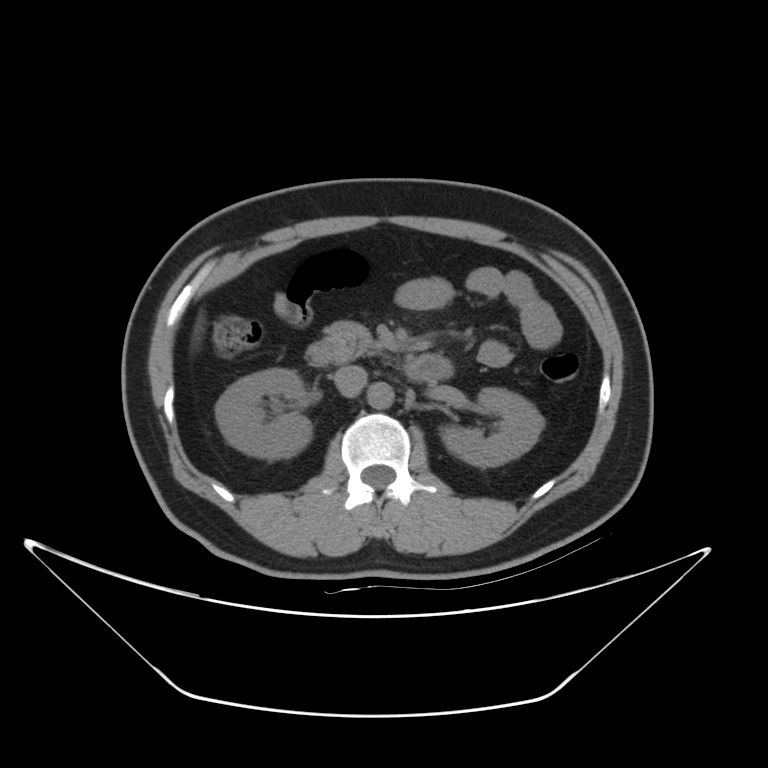

CT, abdomen/pelvis; axial view; Brilliance16 scanner
<organs><organ name="aorta" x1="367" y1="381" x2="393" y2="409"/><organ name="pancreas" x1="322" y1="321" x2="382" y2="361"/><organ name="left kidney" x1="441" y1="388" x2="544" y2="467"/><organ name="right kidney" x1="215" y1="369" x2="312" y2="459"/><organ name="duodenum" x1="305" y1="341" x2="454" y2="382"/><organ name="inferior vena cava" x1="334" y1="365" x2="368" y2="397"/></organs>